Computed tomography, abdomen — axial view — SOMATOM Force scanner
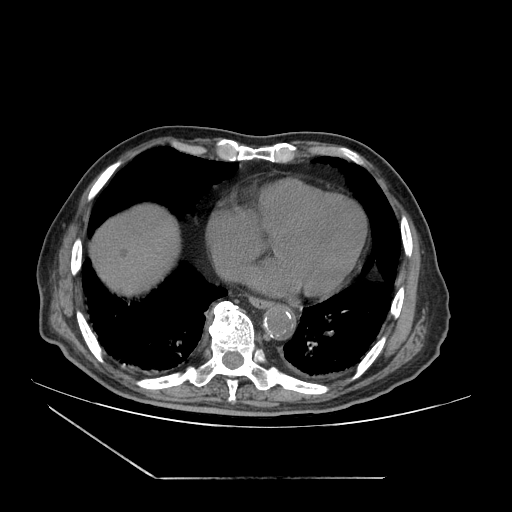

<organs><organ name="liver" x1="89" y1="203" x2="180" y2="296"/><organ name="aorta" x1="263" y1="304" x2="295" y2="339"/><organ name="esophagus" x1="249" y1="296" x2="271" y2="308"/></organs>